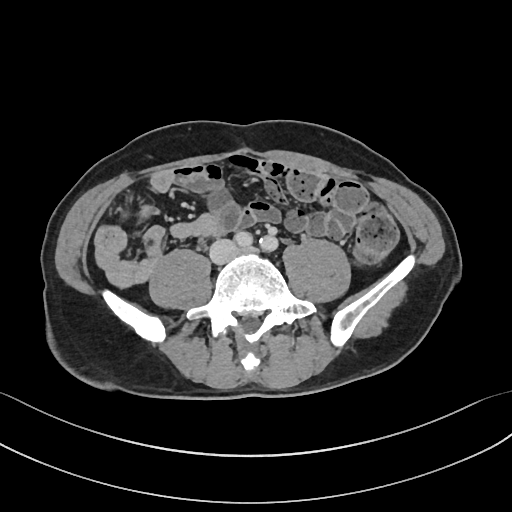

Computed tomography, abdomen · axial view · 512x512 px · acquired on SOMATOM Force
Boxes are (x1, y1, x2, y2) in pixels.
inferior vena cava: (209, 239, 237, 263)